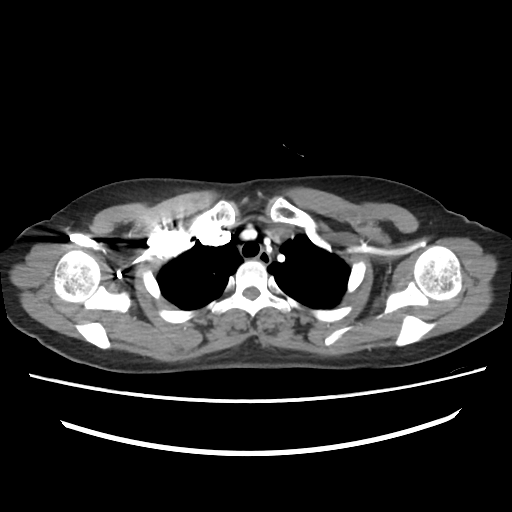
Chest-level CT slice, above the liver and spleen; axial view; 45-year-old female patient; 15 organs annotated in this scan (that count is for the whole scan; organs this slice misses have no box)
At this level of the chest this dataset labels only the esophagus and the aorta, and each is boxed only where it is labeled; the heart and lungs are never labeled.
<organs><organ name="esophagus" x1="257" y1="251" x2="271" y2="266"/></organs>